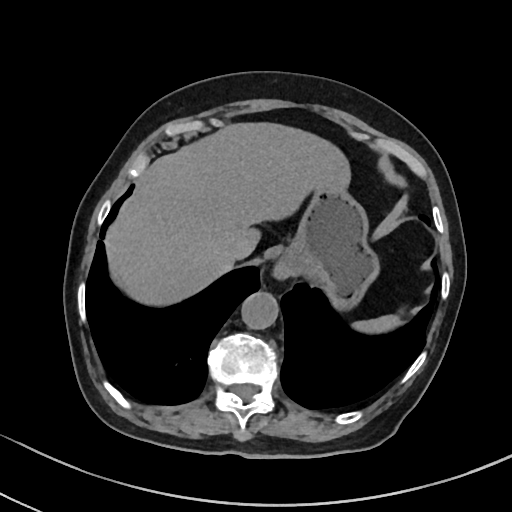

Computed tomography, abdomen; axial plane, index 174; 512x512 px; acquired on SOMATOM Force; scan has 15 labeled organs (that count is for the whole scan; organs this slice misses have no box)
Coordinates as <box>x1,y1,x2,y2</box> in pixels. The annotated organs in this slice are: spleen at <box>353,313,400,330</box>, liver at <box>103,123,351,304</box>, stomach at <box>275,182,378,312</box>, aorta at <box>241,290,279,328</box>, inferior vena cava at <box>225,240,246,261</box>.